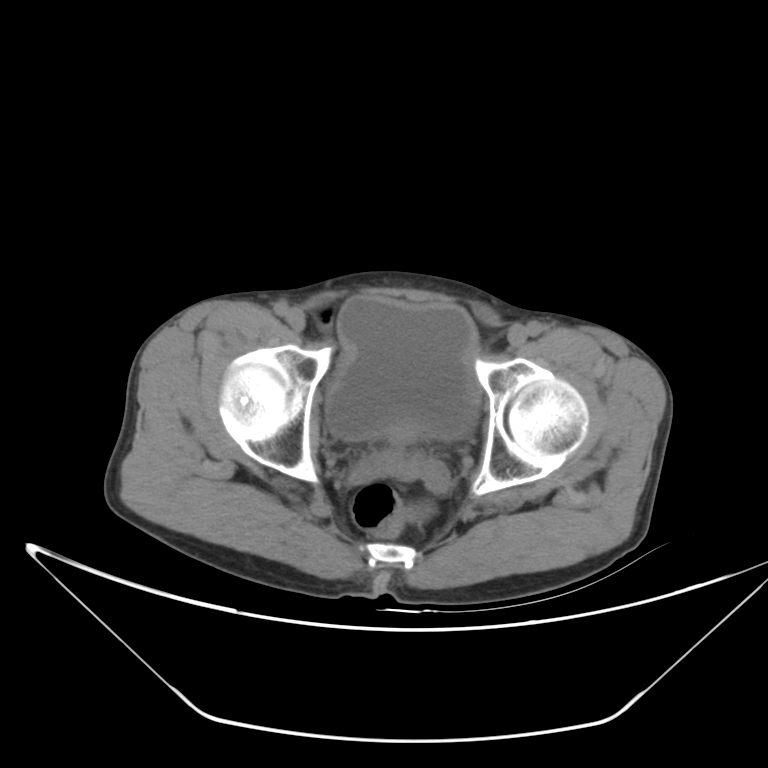
Computed tomography, abdomen · axial plane, index 21
Boxes: x1 y1 x2 y2 (pixel coords, space-separated).
bladder: 326 297 476 438
prostate/uterus: 388 426 417 445